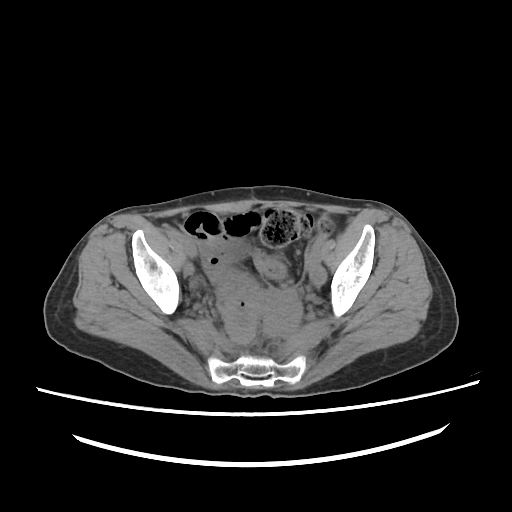
Computed tomography, abdomen. axial view. soft-tissue window (W 400 / L 40). 512x512 px. scan has 15 labeled organs (that count is for the whole scan; organs this slice misses have no box)
One row per box, in pixels: columns x1 and y1 give the top-left corner, x2 and y2 the bottom-right.
| organ | x1 | y1 | x2 | y2 |
|---|---|---|---|---|
| bladder | 227 | 243 | 244 | 258 |
| prostate/uterus | 265 | 290 | 301 | 332 |